CT abdomen · Axial slice 18/94 · soft-tissue window (W 400 / L 40) · 768x768 px · acquired on Brilliance16
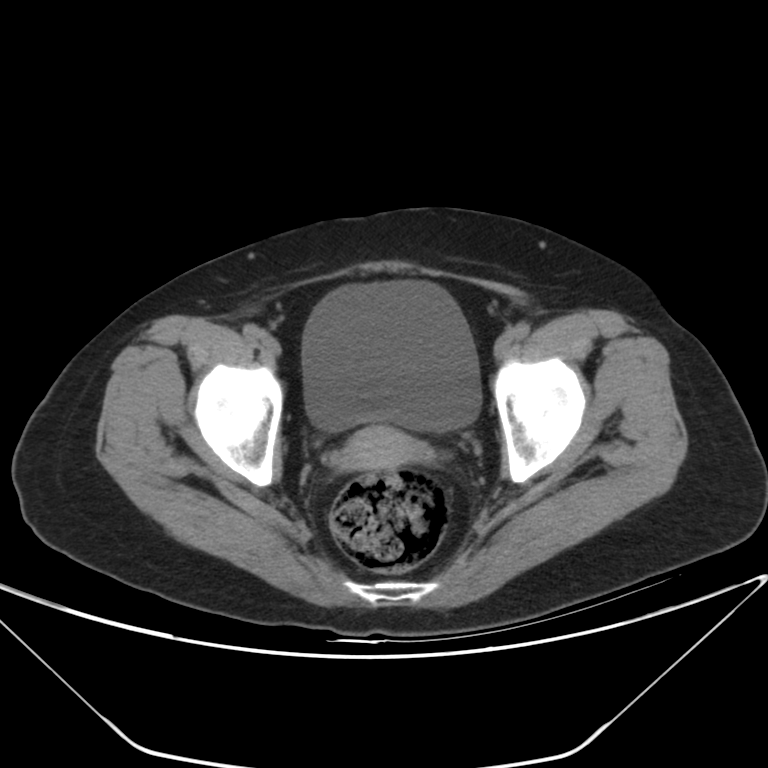 Each box given as x1,y1,x2,y2. The annotated organs in this slice are: bladder at x1=301, y1=281, x2=481, y2=431, prostate/uterus at x1=340, y1=426, x2=423, y2=469.